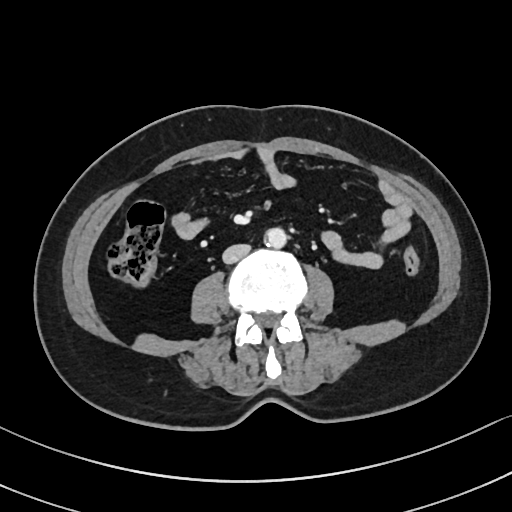
Computed tomography, abdomen · axial plane, index 113
Box edges are left/top/right/bottom in pixels.
aorta: left=264, top=228, right=286, bottom=247
inferior vena cava: left=222, top=244, right=250, bottom=263